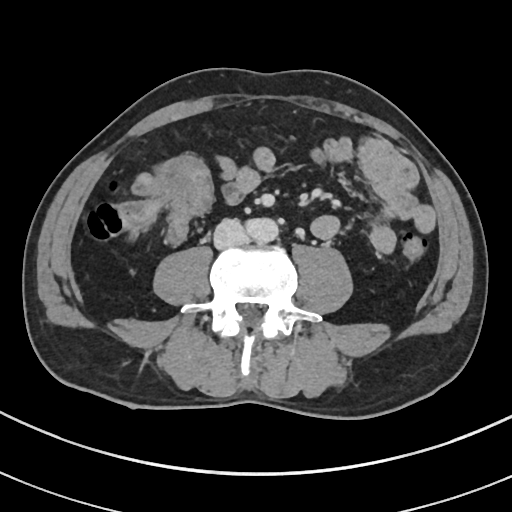 CT abdomen · Axial slice 93/298 · soft-tissue window (W 400 / L 40) · 512x512 px
Bounding boxes in pixels, one row per box: x1, y1 is the top-left corner and x2, y2 the bottom-right.
| organ | x1 | y1 | x2 | y2 |
|---|---|---|---|---|
| aorta | 243 | 218 | 277 | 241 |
| inferior vena cava | 213 | 219 | 250 | 249 |